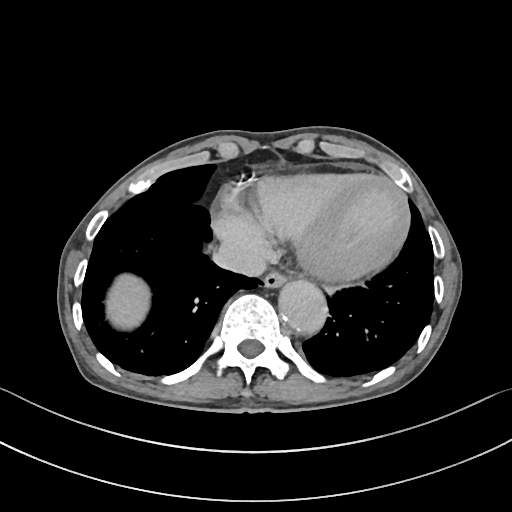 Abdominal CT. axial view. acquired on SOMATOM Force
Organ boxes in pixel coordinates; each row gives the top-left (x1, y1) and bottom-right (x2, y2) corners.
| organ | x1 | y1 | x2 | y2 |
|---|---|---|---|---|
| inferior vena cava | 212 | 243 | 266 | 276 |
| aorta | 278 | 280 | 328 | 334 |
| esophagus | 263 | 271 | 287 | 288 |
| liver | 106 | 274 | 149 | 328 |